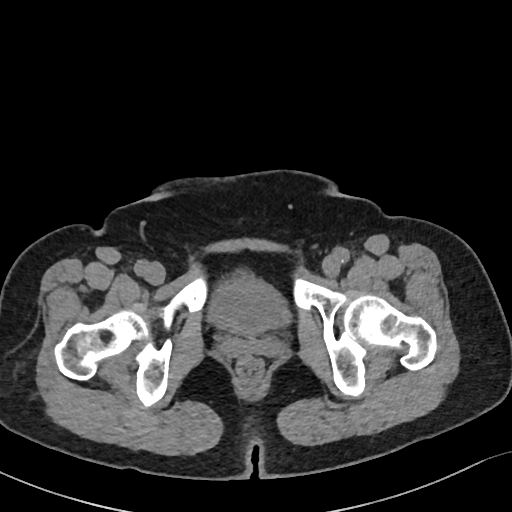 CT abdomen. axial view. soft-tissue window. acquired on SOMATOM Force. scan has 15 labeled organs (a whole-scan count: organs this slice does not pass through have no box)
<organs><organ name="bladder" x1="207" y1="274" x2="289" y2="333"/></organs>